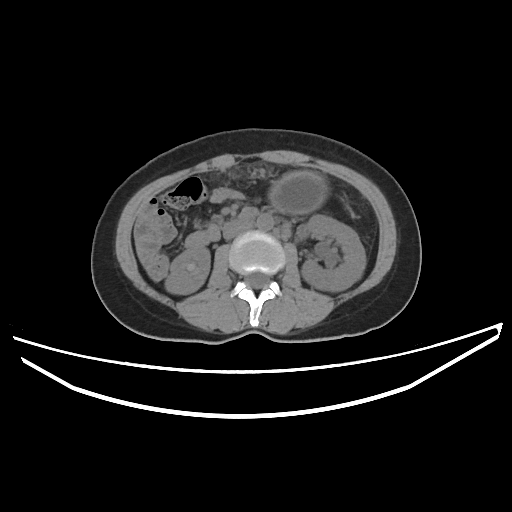 CT abdomen · axial view
Each box given as x1,y1,x2,y2. Labeled organs on this slice: aorta at x1=256, y1=214, x2=273, y2=231, left kidney at x1=301, y1=215, x2=365, y2=291, right kidney at x1=165, y1=246, x2=209, y2=294, inferior vena cava at x1=223, y1=221, x2=248, y2=239, stomach at x1=268, y1=171, x2=329, y2=214.